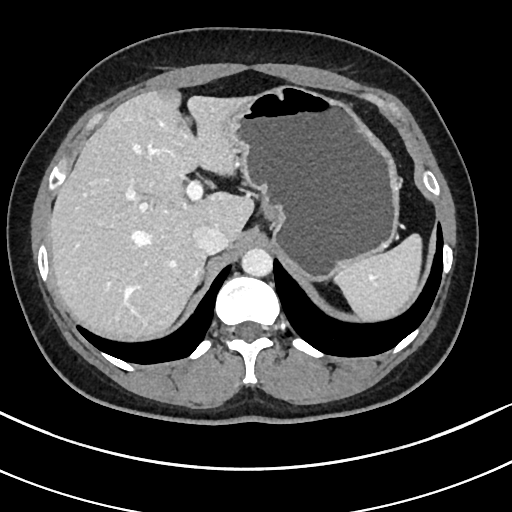

CT, abdomen/pelvis. axial view. 512x512 px
One row per box, in pixels: columns x1 and y1 give the top-left corner, x2 and y2 the bottom-right.
| organ | x1 | y1 | x2 | y2 |
|---|---|---|---|---|
| inferior vena cava | 193 | 225 | 227 | 254 |
| spleen | 334 | 234 | 421 | 321 |
| right adrenal gland | 201 | 270 | 203 | 280 |
| stomach | 225 | 85 | 400 | 280 |
| liver | 49 | 90 | 253 | 339 |
| aorta | 241 | 248 | 272 | 277 |